CT abdomen · Axial slice 223/314 · W/L 400/40 HU
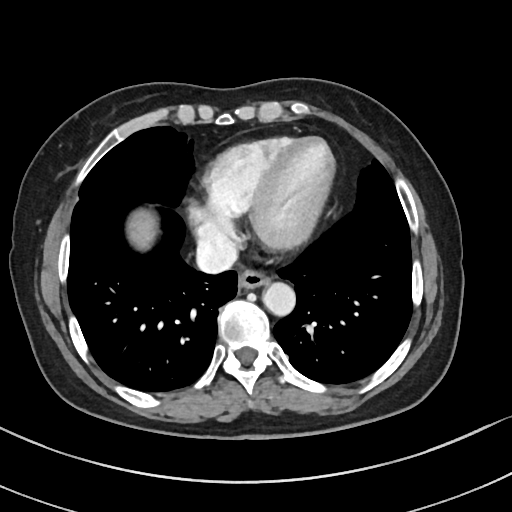

Coordinates as <box>x1,y1,x2,y2</box> in pixels.
esophagus: <box>237,271,271,289</box>
liver: <box>132,214,155,244</box>
aorta: <box>262,283,295,316</box>
inferior vena cava: <box>196,234,237,271</box>